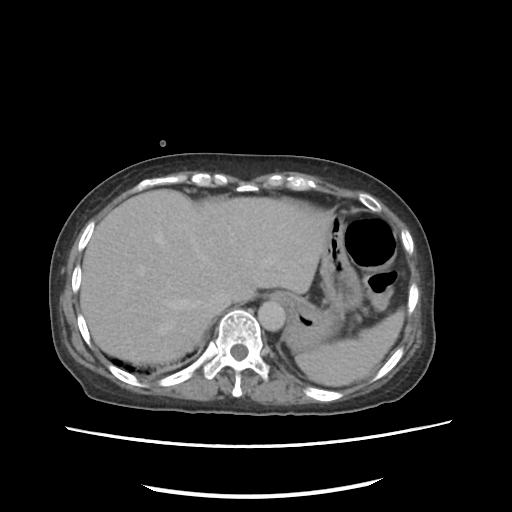

Abdominal CT — Axial slice 78/90 — soft-tissue window — 512x512 px
Boxes: x1 y1 x2 y2 (pixel coords, space-separated). 6 labeled organs on this slice — spleen at 295 309 404 386; esophagus at 269 292 290 304; liver at 80 189 333 363; stomach at 284 221 363 351; aorta at 258 301 285 331; inferior vena cava at 204 290 231 314.